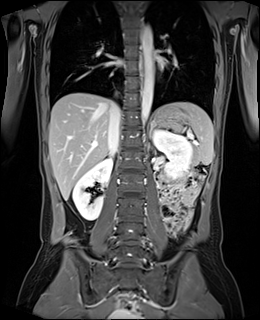

Abdominal MRI — coronal plane, index 67 — percentile-normalized — 260x320 px — scan has 13 labeled organs (that count is for the whole scan; organs this slice misses have no box)
Each box given as x1,y1,x2,y2.
Organ bounding boxes:
- spleen: x1=160, y1=102, x2=213, y2=164
- right kidney: x1=72, y1=157, x2=112, y2=220
- left kidney: x1=153, y1=129, x2=192, y2=178
- esophagus: x1=141, y1=55, x2=144, y2=75
- liver: x1=49, y1=92, x2=159, y2=199
- stomach: x1=150, y1=109, x2=187, y2=126
- aorta: x1=141, y1=25, x2=153, y2=122
- inferior vena cava: x1=108, y1=102, x2=121, y2=155
- left adrenal gland: x1=150, y1=124, x2=153, y2=135